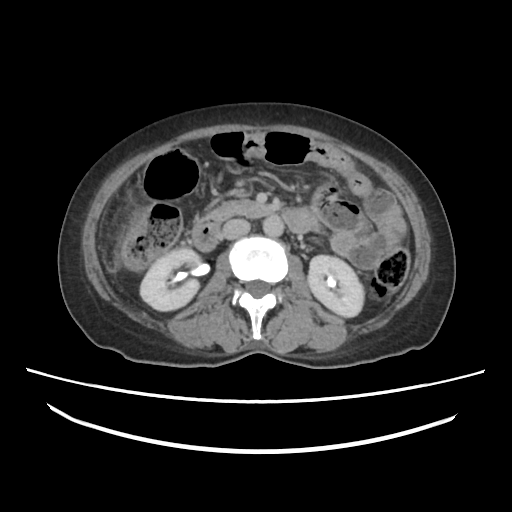 Computed tomography, abdomen — axial plane, index 56 — soft-tissue window (W 400 / L 40) — 512x512 px
Boxes are (x1, y1, x2, y2) in pixels.
Organ bounding boxes:
- right kidney: (140, 248, 208, 310)
- left kidney: (308, 255, 365, 316)
- aorta: (262, 215, 284, 235)
- inferior vena cava: (222, 219, 250, 239)
- pancreas: (215, 196, 250, 216)
- duodenum: (193, 204, 310, 251)